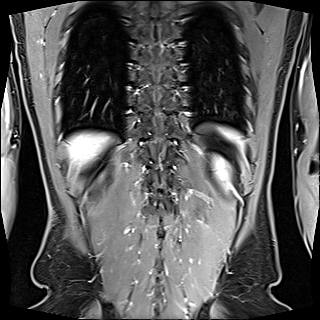
Magnetic resonance imaging, abdomen; coronal plane, index 12; scan has 13 labeled organs (a whole-scan count: organs this slice does not pass through have no box)
Coordinates as <box>x1,y1,x2,y2</box> in pixels. 3 labeled organs on this slice — spleen at <box>221,128,243,146</box>; left kidney at <box>216,160,228,179</box>; liver at <box>68,133,109,165</box>.